Abdominal CT; this slice is in the lower chest, just above the liver · axial view · 512x512 px · 47-year-old male patient · Aquilion ONE scanner · scan has 15 labeled organs (that count is for the whole scan; organs this slice misses have no box)
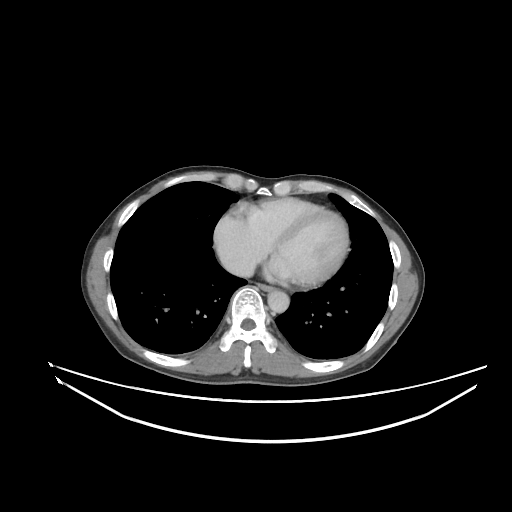
The heart and lungs are never labeled in this dataset, so they have no box on this slice. Boxes are (x1, y1, x2, y2) in pixels. The annotated organs in this slice are: esophagus at (257, 283, 273, 291), inferior vena cava at (242, 266, 247, 269), aorta at (267, 290, 289, 313).